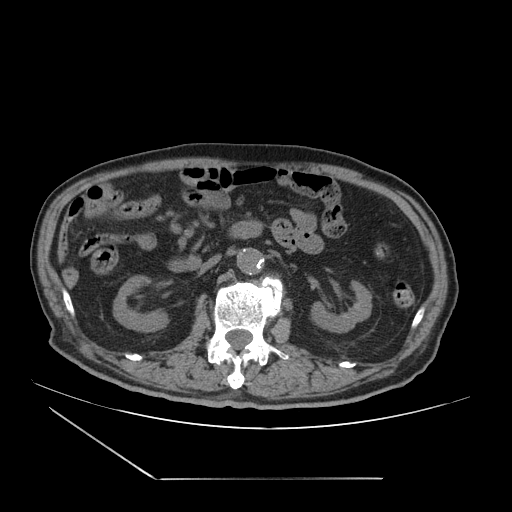
CT abdomen; Axial slice 118/187; SOMATOM Force scanner
Organ boxes in pixel coordinates; each row gives the top-left (x1, y1) and bottom-right (x2, y2) corners.
| organ | x1 | y1 | x2 | y2 |
|---|---|---|---|---|
| right kidney | 112 | 275 | 170 | 333 |
| left kidney | 309 | 280 | 371 | 333 |
| aorta | 237 | 248 | 263 | 275 |
| inferior vena cava | 199 | 254 | 221 | 272 |
| duodenum | 168 | 220 | 263 | 271 |